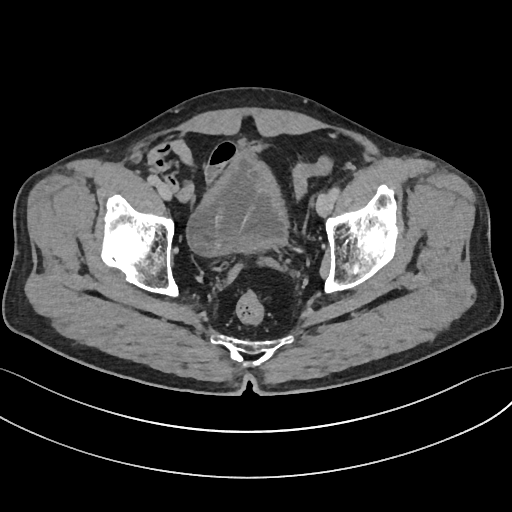 CT, abdomen/pelvis. Axial slice 51/224
<organs><organ name="bladder" x1="188" y1="155" x2="287" y2="256"/></organs>